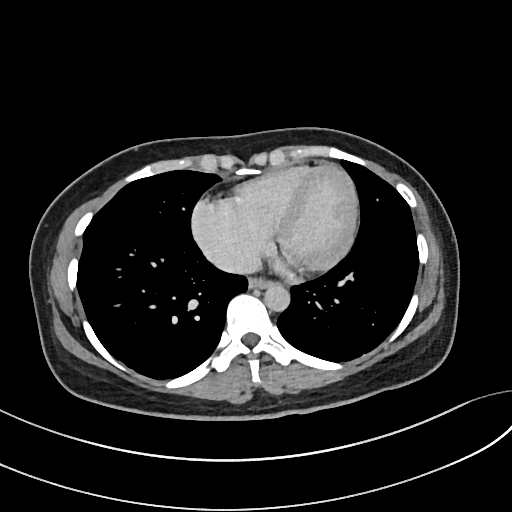
CT of the abdomen reaching into the lower chest, slice just above the liver and spleen · Axial slice 218/219 · acquired on SOMATOM Force
Of the structures in the chest, this dataset labels only the esophagus, the aorta and the inferior vena cava; the heart and lungs have no label.
Boxes: x1:y1:x2:y2 in pixels.
Organ bounding boxes:
- esophagus: 248:278:271:288
- aorta: 264:283:290:311
- inferior vena cava: 214:251:258:273